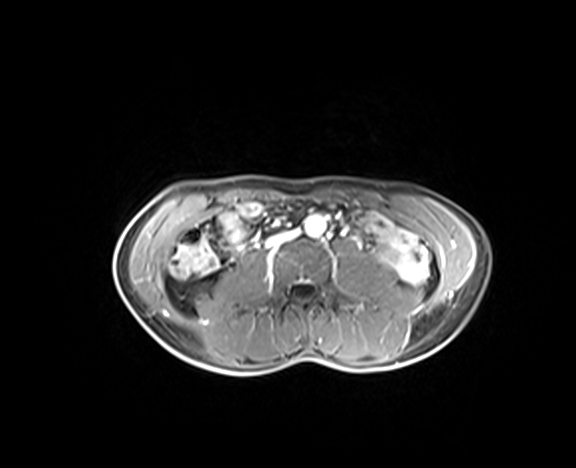
Abdominal MR · axial view · percentile-normalized
Bounding boxes as [x1, y1, x2, y2] in pixel coordinates. The annotated organs in this slice are: aorta at [304, 215, 326, 236], inferior vena cava at [266, 231, 296, 246].